Computed tomography, abdomen — axial plane, index 28 — soft-tissue window (W 400 / L 40) — 512x512 px
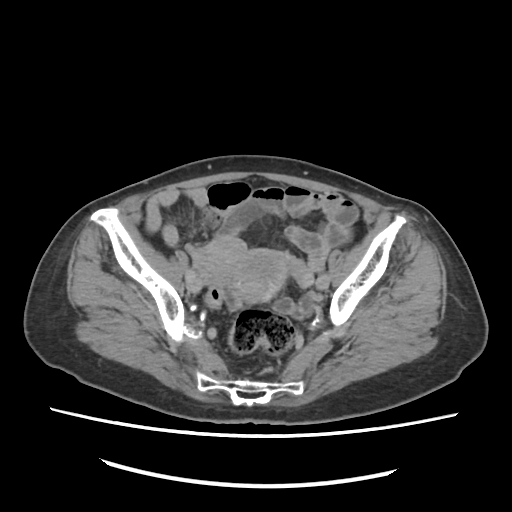
Coordinates as <box>x1,y1,x2,y2</box> in pixels.
Organ bounding boxes:
- prostate/uterus: <box>201,236,286,300</box>